Abdominal MR. axial view. percentile-normalized. 576x468 px
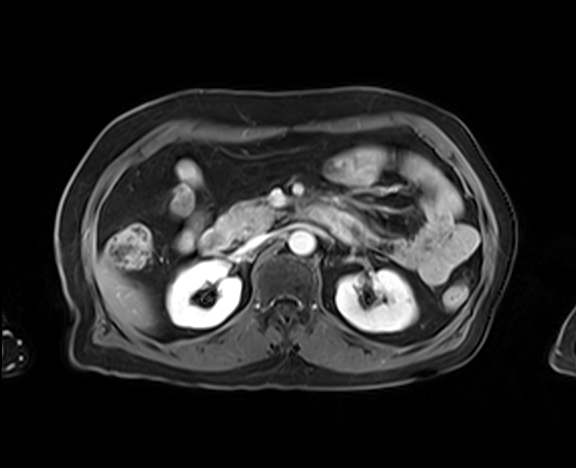 Organ boxes in pixel coordinates; each row gives the top-left (x1, y1) and bottom-right (x2, y2) corners.
| organ | x1 | y1 | x2 | y2 |
|---|---|---|---|---|
| right kidney | 166 | 261 | 241 | 328 |
| left kidney | 335 | 269 | 417 | 332 |
| liver | 94 | 260 | 153 | 329 |
| aorta | 288 | 231 | 315 | 256 |
| inferior vena cava | 244 | 233 | 270 | 250 |
| pancreas | 230 | 201 | 279 | 238 |
| duodenum | 200 | 210 | 235 | 254 |